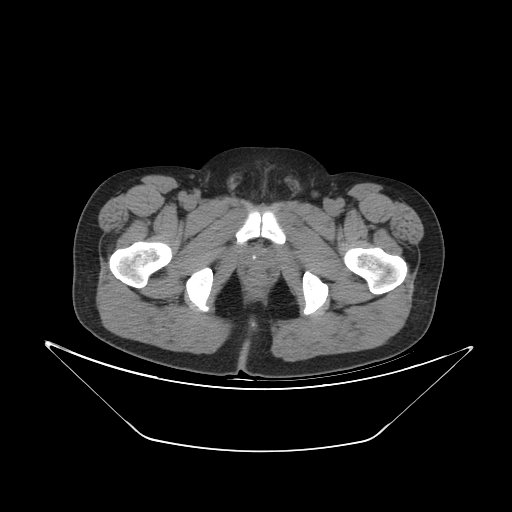

Computed tomography, abdomen — axial view — W/L 400/40 HU — acquired on Brilliance16
Boxes: x1:y1:x2:y2 in pixels.
Organ bounding boxes:
- prostate/uterus: 247:249:271:269